CT, abdomen/pelvis; axial plane, index 55
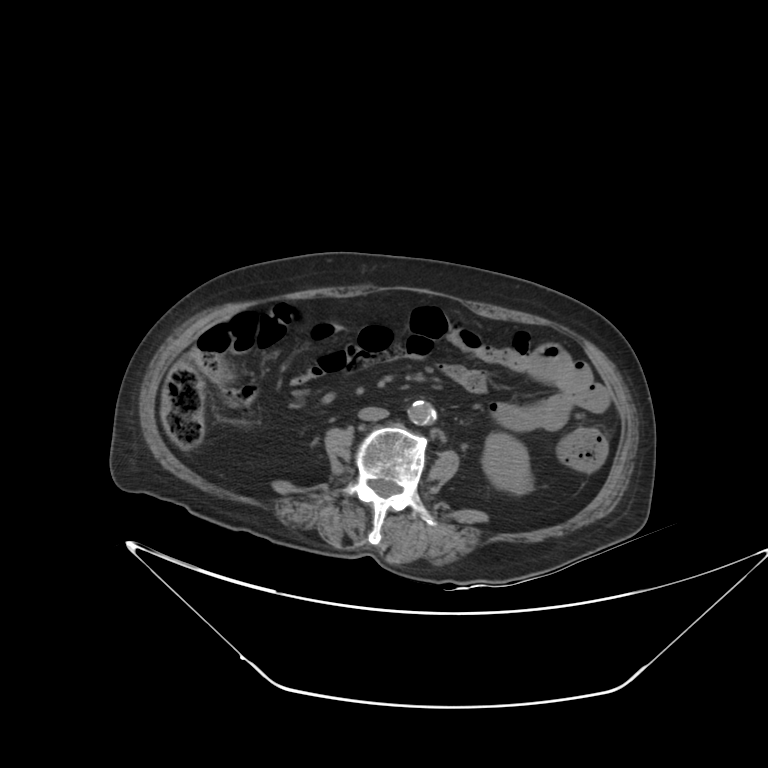
Boxes are (x1, y1, x2, y2) in pixels.
Organ bounding boxes:
- left kidney: (482, 433, 531, 493)
- aorta: (408, 401, 435, 424)
- inferior vena cava: (358, 407, 388, 420)